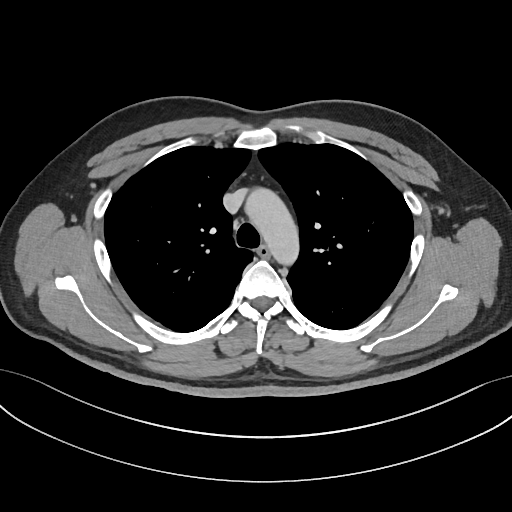 Chest-level CT slice, above the liver and spleen. axial view. SOMATOM Force scanner
At this level of the chest this dataset labels only the esophagus and the aorta, and each is boxed only where it is labeled; the heart and lungs are never labeled. Boxes are (x1, y1, x2, y2) in pixels. The annotated organs in this slice are: aorta at (246, 190, 298, 261), esophagus at (257, 244, 270, 257).